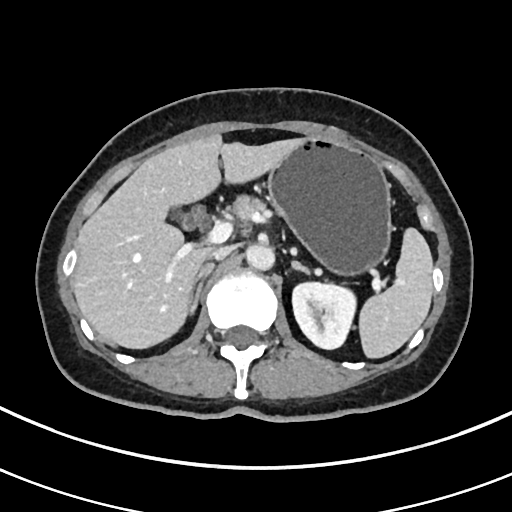
Abdominal CT · axial view · W/L 400/40 HU · scan has 15 labeled organs (counted over the whole 3D scan, not this slice; an organ is boxed only where this slice passes through it)
{"organs":{"pancreas":[232,195,265,218],"stomach":[267,138,392,275],"liver":[72,135,304,348],"aorta":[246,244,274,270],"left kidney":[292,282,356,348],"inferior vena cava":[209,246,231,259],"spleen":[358,228,433,358],"right adrenal gland":[189,262,214,314],"left adrenal gland":[292,261,310,274]}}